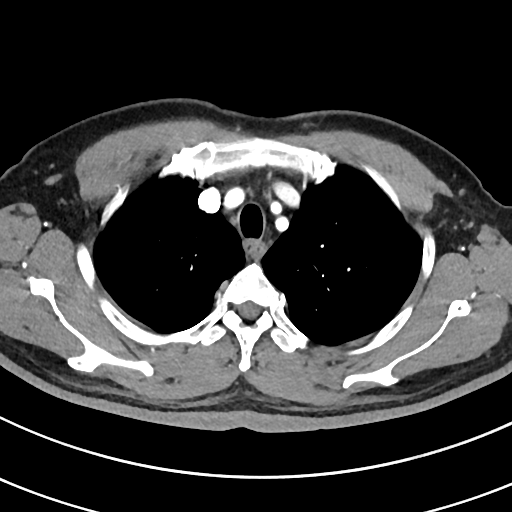
Chest-level CT slice, above the liver and spleen · Axial slice 275/302
At this level of the chest no structure but the esophagus and the aorta has a label in this dataset, and those two are boxed only where they are labeled.
{"organs":{"esophagus":[244,238,265,257]}}